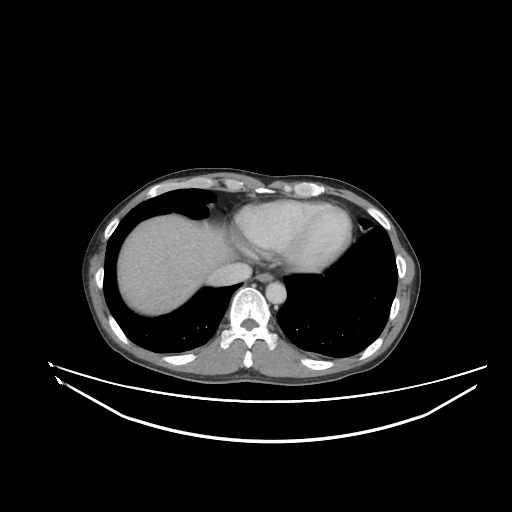

CT abdomen; axial view; W/L 400/40 HU; 47-year-old male patient
Boxes: x1 y1 x2 y2 (pixel coords, space-separated).
Organ bounding boxes:
- esophagus: 256 273 273 281
- liver: 117 214 231 315
- aorta: 265 282 286 304
- inferior vena cava: 206 262 251 286